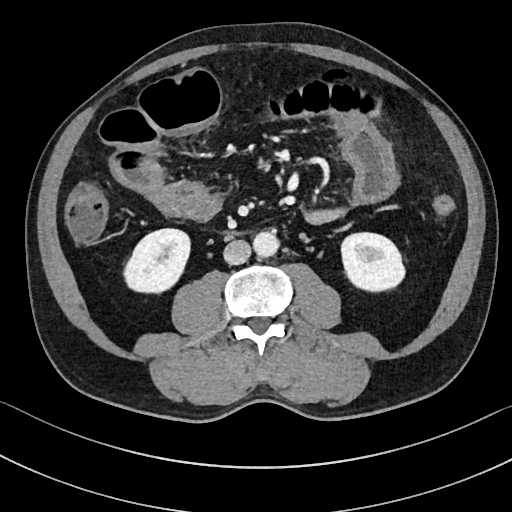
Computed tomography, abdomen — axial view — soft-tissue window (W 400 / L 40) — 512x512 px
Boxes: x1:y1:x2:y2 in pixels.
right kidney: 124:229:190:292
left kidney: 341:232:404:291
aorta: 253:231:279:257
inferior vena cava: 223:240:250:264